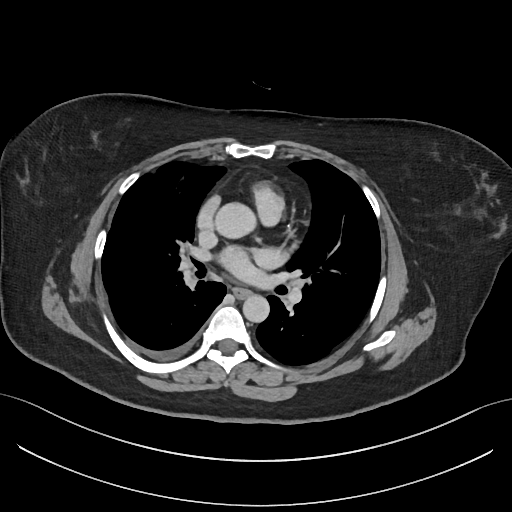 CT of the abdomen extending into the chest, slice through the chest; axial view; soft-tissue window, W/L 400/40; 512x512 px; scan has 15 labeled organs (counted over the whole 3D scan, not this slice; an organ is boxed only where this slice passes through it)
At this level of the chest this dataset labels only the esophagus and the aorta, and each is boxed only where it is labeled; the heart and lungs are never labeled.
Boxes: x1 y1 x2 y2 (pixel coords, space-separated).
esophagus: 233 287 251 298
aorta: 214 202 254 238
aorta: 242 295 269 323